CT abdomen; axial view; 512x512 px
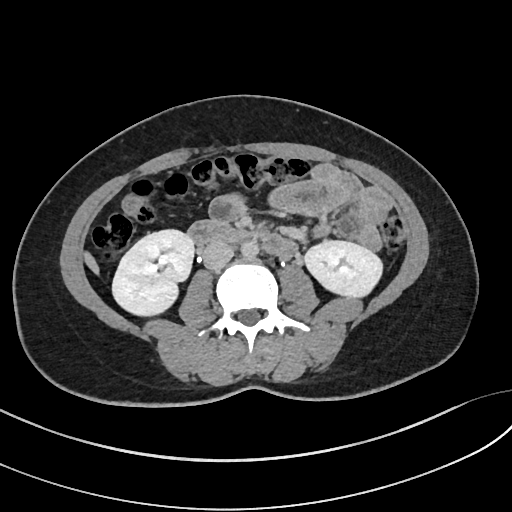
Organ boxes in pixel coordinates; each row gives the top-left (x1, y1) and bottom-right (x2, y2) corners.
| organ | x1 | y1 | x2 | y2 |
|---|---|---|---|---|
| right kidney | 113 | 229 | 193 | 316 |
| left kidney | 304 | 240 | 384 | 296 |
| liver | 82 | 252 | 99 | 273 |
| aorta | 240 | 240 | 258 | 257 |
| inferior vena cava | 202 | 242 | 233 | 269 |
| duodenum | 188 | 221 | 282 | 255 |